Abdominal CT; this slice is in the lower chest, just above the liver — axial view — soft-tissue window (W 400 / L 40) — 768x768 px — 13 organs annotated in this scan (a whole-scan count: organs this slice does not pass through have no box)
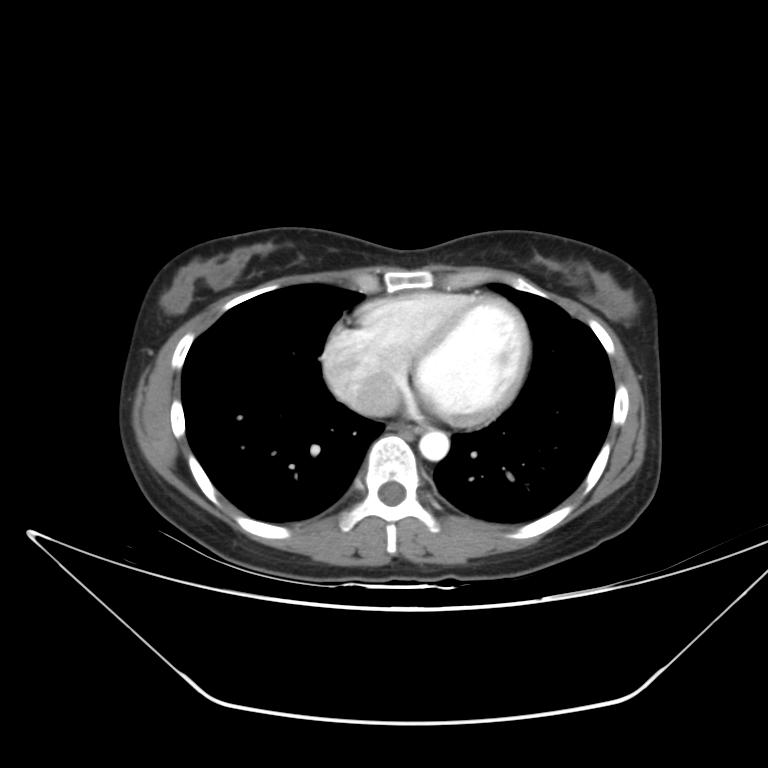
The heart and lungs are never labeled in this dataset, so they have no box on this slice.
Boxes: x1:y1:x2:y2 in pixels.
esophagus: 394:425:421:433
aorta: 419:430:449:460
inferior vena cava: 355:390:396:414